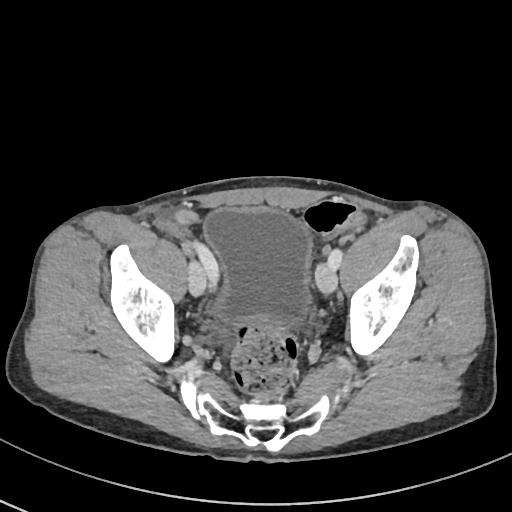
CT, abdomen/pelvis. axial view. soft-tissue window (W 400 / L 40)
<organs><organ name="bladder" x1="203" y1="207" x2="312" y2="325"/></organs>